CT, abdomen/pelvis · axial plane, index 155 · 512x512 px · 15 organs annotated in this scan (counted over the whole 3D scan, not this slice; an organ is boxed only where this slice passes through it)
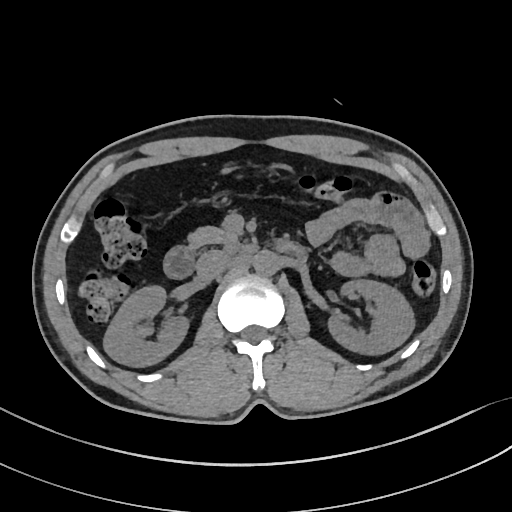 {"organs":{"right kidney":[104,285,191,367],"left kidney":[327,279,415,355],"aorta":[252,251,279,276],"inferior vena cava":[195,250,230,280],"pancreas":[187,226,237,249],"duodenum":[163,240,304,278]}}